Magnetic resonance imaging, abdomen; axial plane, index 46
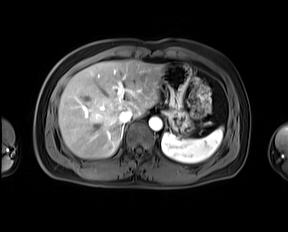

{"organs":{"spleen":[161,127,222,162],"liver":[58,60,164,158],"stomach":[161,63,193,135],"aorta":[148,116,162,130],"inferior vena cava":[119,110,132,123]}}